Abdominal CT; axial plane, index 69; scan has 15 labeled organs (counted over the whole 3D scan, not this slice; an organ is boxed only where this slice passes through it)
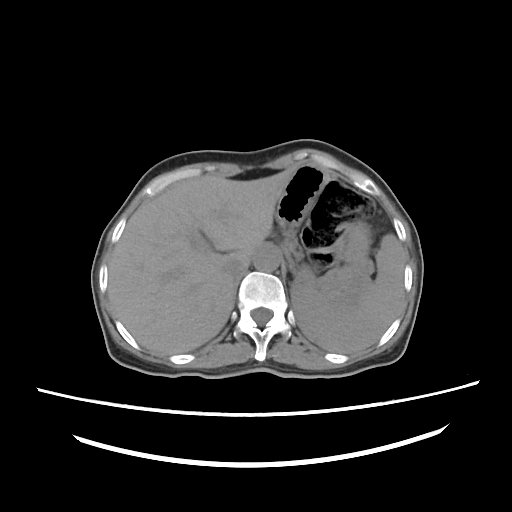
Each box given as x1,y1,x2,y2. Labeled organs on this slice: spleen at x1=291, y1=233, x2=403, y2=353, liver at x1=108, y1=170, x2=292, y2=354, stomach at x1=275, y1=164, x2=372, y2=301, aorta at x1=254, y1=246, x2=281, y2=271, inferior vena cava at x1=224, y1=259, x2=248, y2=276, pancreas at x1=285, y1=237, x2=303, y2=258.